Abdominal CT. axial view
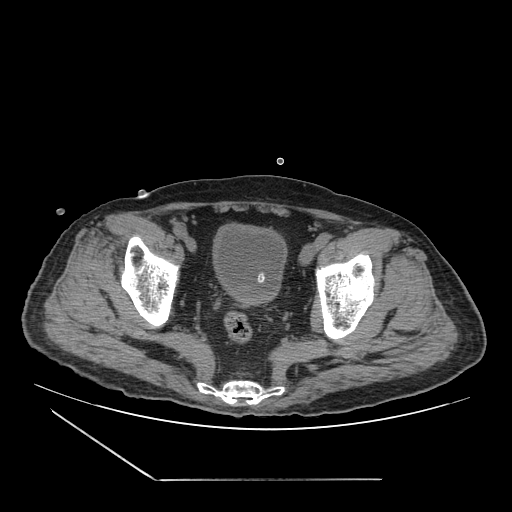

Bounding boxes as [x1, y1, x2, y2] in pixel coordinates. Labeled organs on this slice: bladder at [212, 223, 286, 305].